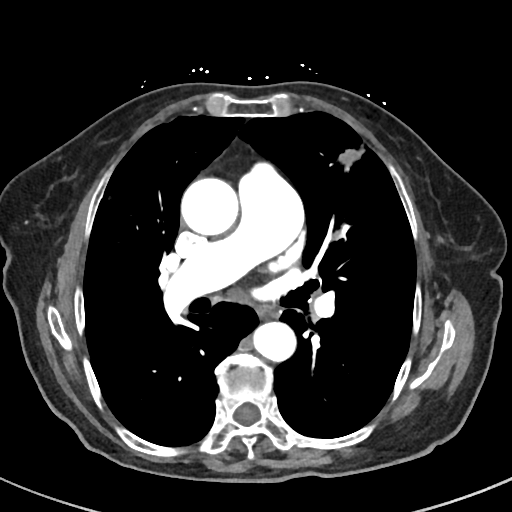

Abdominal CT reaching into the chest; this slice is in the chest. axial plane, index 216
At this level of the chest no structure but the esophagus and the aorta has a label in this dataset, and those two are boxed only where they are labeled.
Bounding boxes as [x1, y1, x2, y2] in pixel coordinates.
esophagus: [256, 306, 277, 317]
aorta: [180, 177, 239, 236]
aorta: [251, 321, 295, 362]